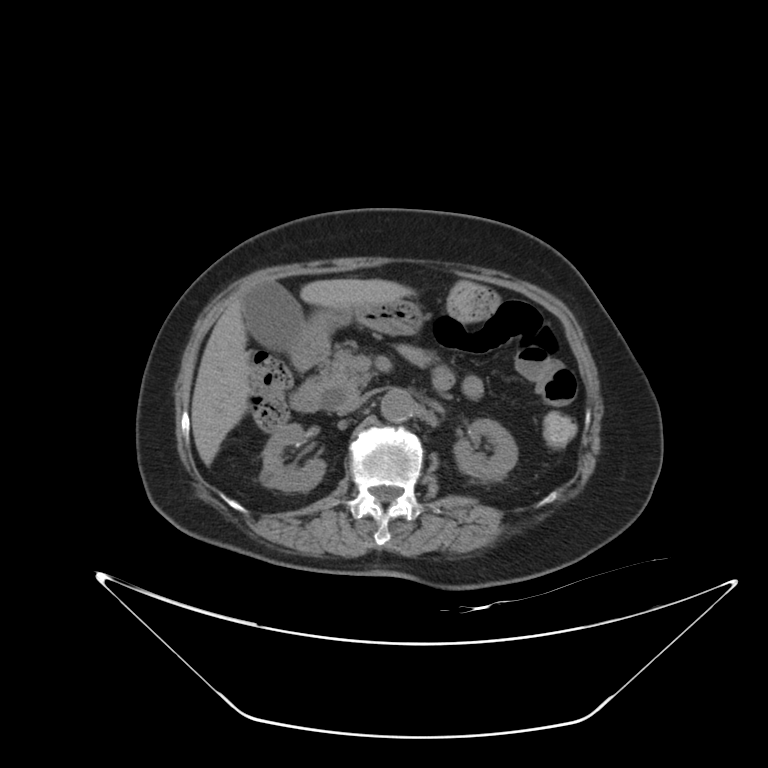
Abdominal CT; axial view; acquired on Brilliance16; scan has 15 labeled organs (counted over the whole 3D scan, not this slice; an organ is boxed only where this slice passes through it)
{"organs":{"pancreas":[303,349,372,397],"left kidney":[454,419,517,481],"liver":[191,278,414,465],"aorta":[380,389,414,422],"right kidney":[261,424,325,490],"inferior vena cava":[337,395,366,414],"gall bladder":[243,280,302,350],"duodenum":[290,386,324,412],"stomach":[290,300,425,367]}}